Abdominal CT. axial plane, index 106. abdomen soft-tissue window
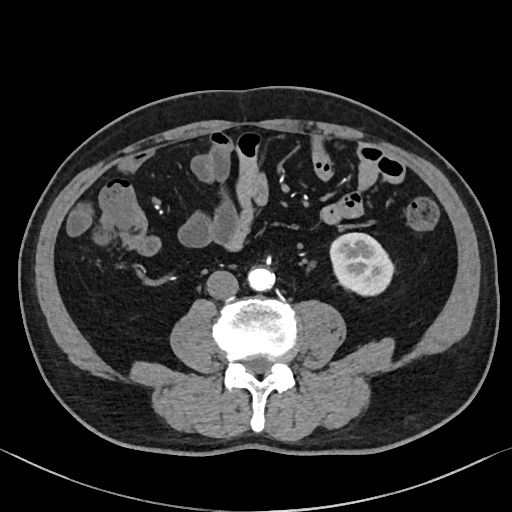

<organs><organ name="left kidney" x1="330" y1="233" x2="393" y2="295"/><organ name="aorta" x1="248" y1="267" x2="275" y2="291"/><organ name="inferior vena cava" x1="206" y1="270" x2="238" y2="299"/></organs>